Computed tomography, abdomen · axial view · abdomen soft-tissue window · 52-year-old male patient · acquired on Brilliance16 · scan has 14 labeled organs (that count is for the whole scan; organs this slice misses have no box)
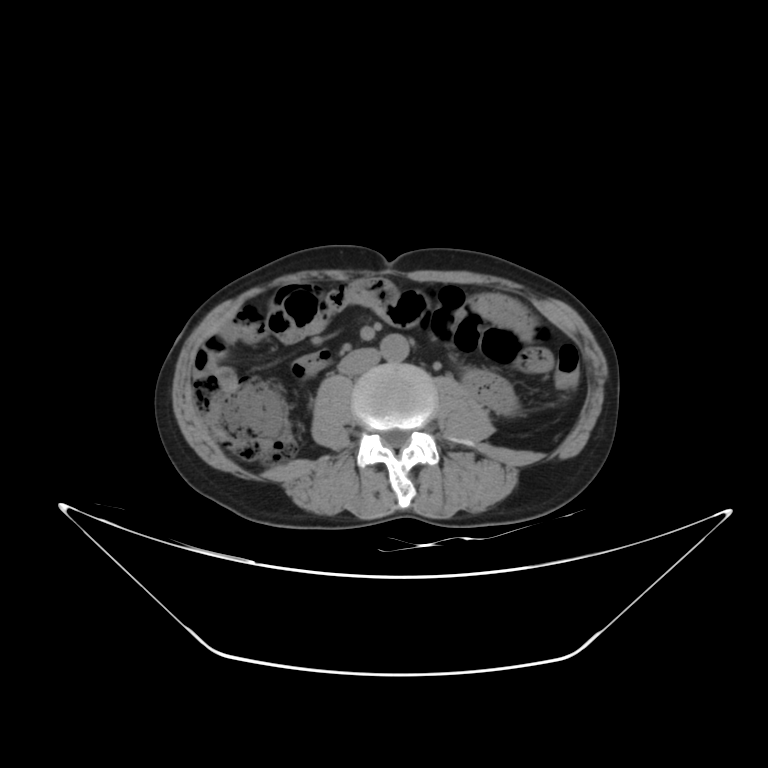
Each box given as x1,y1,x2,y2.
Organ bounding boxes:
- aorta: x1=380, y1=334, x2=409, y2=362
- inferior vena cava: x1=338, y1=348, x2=380, y2=375